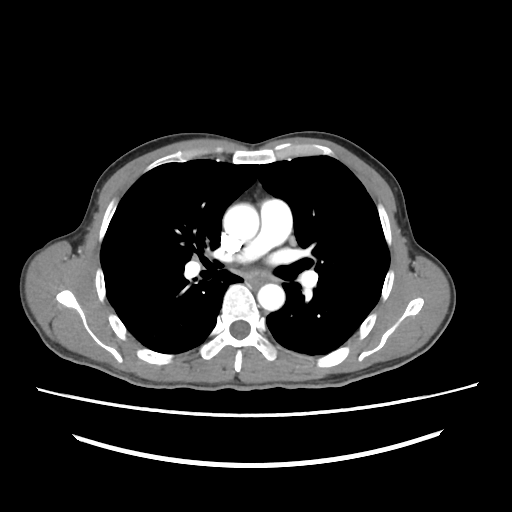

Abdominal CT reaching into the chest; this slice is in the chest. axial view. soft-tissue window, W/L 400/40
At this level of the chest this dataset labels only the esophagus and the aorta, and each is boxed only where it is labeled; the heart and lungs are never labeled.
Bounding boxes in pixels, one row per box: x1, y1 is the top-left corner and x2, y2 the bottom-right.
| organ | x1 | y1 | x2 | y2 |
|---|---|---|---|---|
| aorta | 223 | 204 | 259 | 240 |
| aorta | 258 | 284 | 284 | 310 |